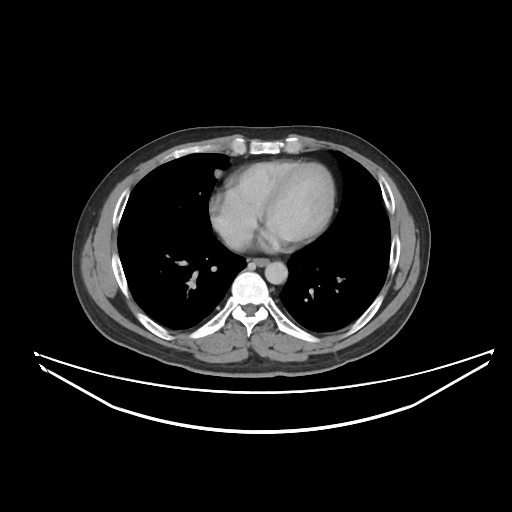
Abdominal CT; this slice is in the lower chest, just above the liver. axial plane, index 93. scan has 15 labeled organs (a whole-scan count: organs this slice does not pass through have no box)
The heart and lungs are never labeled in this dataset, so they have no box on this slice.
Boxes are (x1, y1, x2, y2) in pixels.
esophagus: (249, 258, 269, 266)
aorta: (265, 261, 287, 284)